Magnetic resonance imaging, abdomen — axial plane, index 39 — Prisma scanner
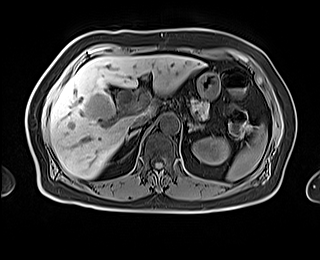

Each box given as x1,y1,x2,y2.
spleen: x1=226, y1=124, x2=267, y2=180
left kidney: x1=192, y1=137, x2=229, y2=164
liver: x1=49, y1=54, x2=205, y2=179
stomach: x1=197, y1=72, x2=219, y2=98
aorta: x1=160, y1=114, x2=179, y2=133
inferior vena cava: x1=130, y1=114, x2=150, y2=128
pancreas: x1=191, y1=99, x2=209, y2=119
right adrenal gland: x1=126, y1=126, x2=142, y2=142
left adrenal gland: x1=189, y1=123, x2=203, y2=131